CT, abdomen/pelvis. axial view. soft-tissue window
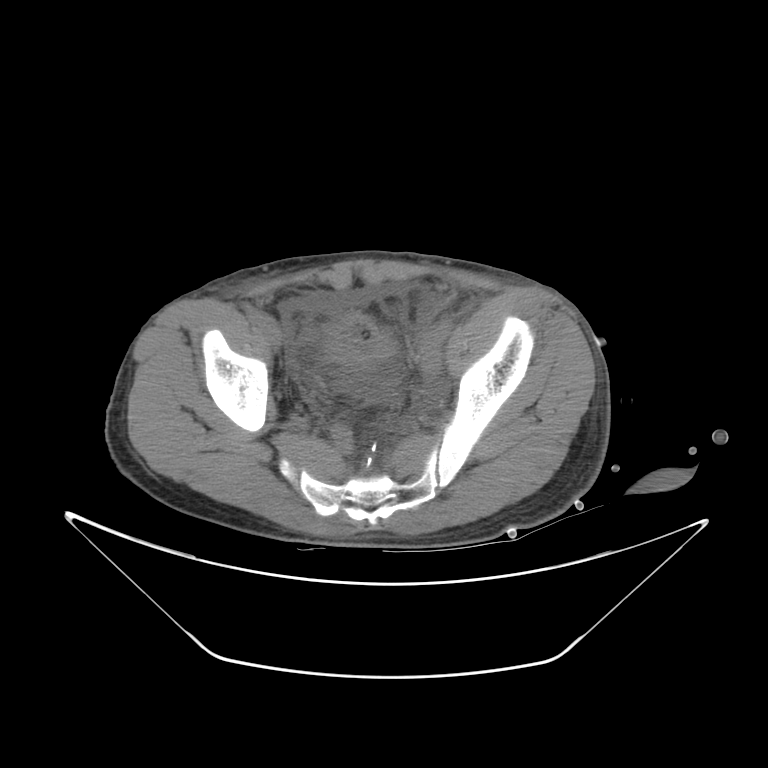
Boxes: x1:y1:x2:y2 in pixels. The annotated organs in this slice are: bladder at 323:312:391:363.